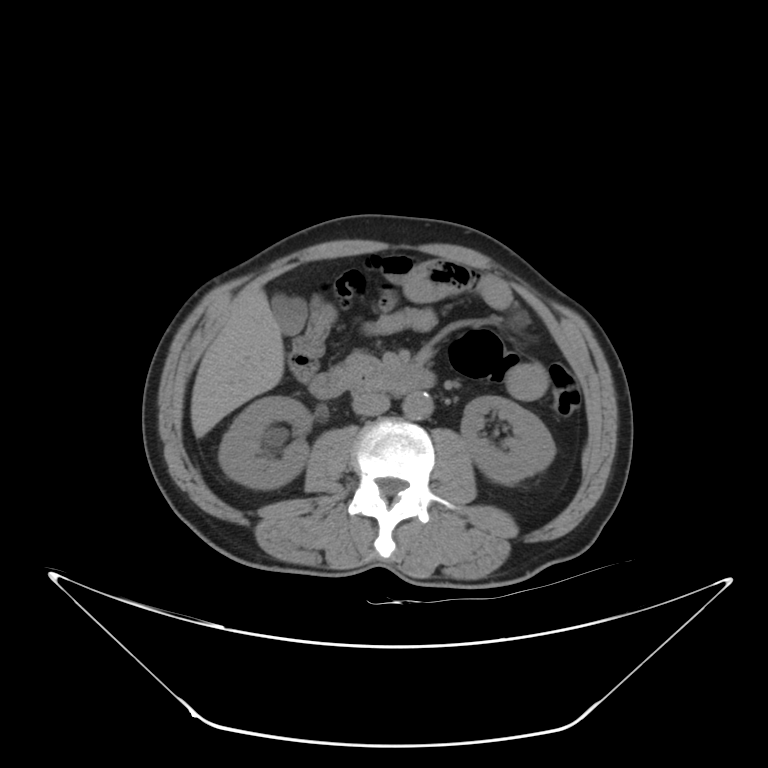 CT abdomen · Axial slice 59/83 · W/L 400/40 HU · 59-year-old male patient
<organs><organ name="right kidney" x1="218" y1="396" x2="311" y2="488"/><organ name="left kidney" x1="461" y1="396" x2="555" y2="483"/><organ name="gall bladder" x1="271" y1="294" x2="307" y2="334"/><organ name="liver" x1="190" y1="290" x2="284" y2="437"/><organ name="aorta" x1="402" y1="392" x2="433" y2="419"/><organ name="inferior vena cava" x1="352" y1="393" x2="389" y2="415"/><organ name="pancreas" x1="330" y1="352" x2="386" y2="380"/><organ name="duodenum" x1="310" y1="366" x2="436" y2="398"/></organs>